CT abdomen. axial plane, index 194
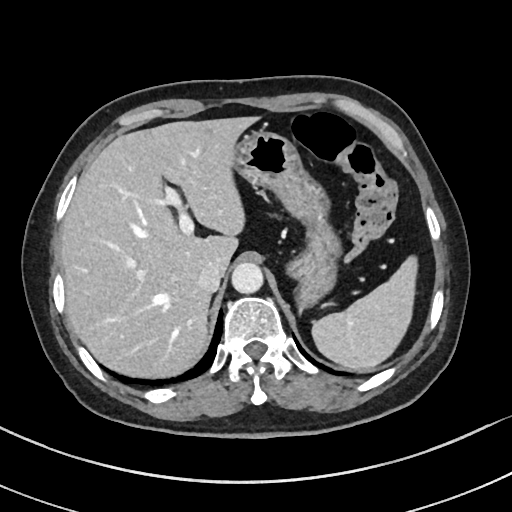

Each box given as x1,y1,x2,y2.
spleen: x1=311, y1=256, x2=417, y2=370
liver: x1=60, y1=115, x2=261, y2=375
stomach: x1=232, y1=130, x2=340, y2=311
aorta: x1=231, y1=263, x2=263, y2=293
inferior vena cava: x1=198, y1=262, x2=223, y2=292